CT, abdomen/pelvis — axial plane, index 24 — soft-tissue window — Brilliance16 scanner
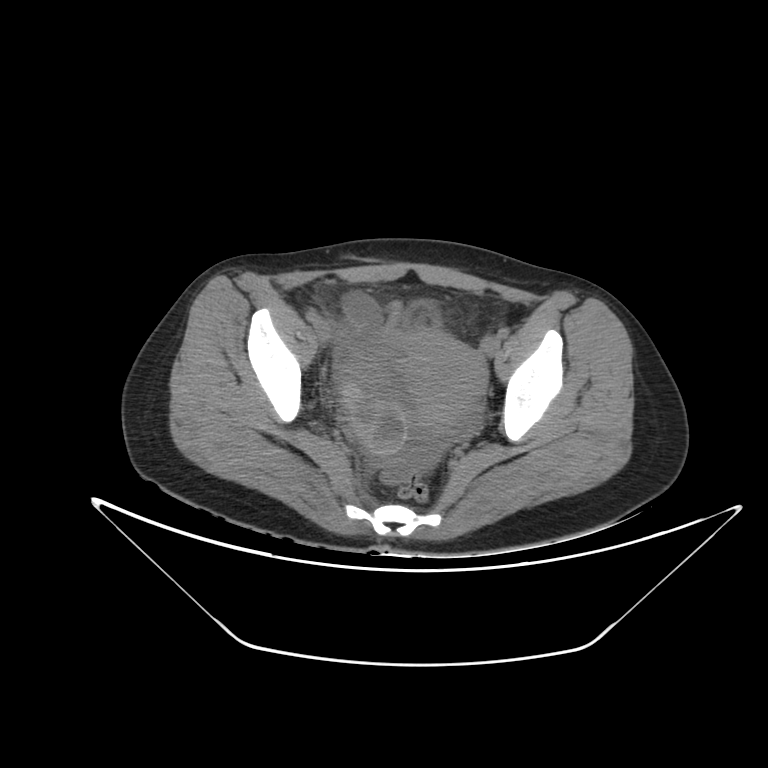

Bounding boxes as [x1, y1, x2, y2] in pixel coordinates.
prostate/uterus: [402, 333, 486, 438]